Computed tomography, abdomen — axial plane, index 134 — abdomen soft-tissue window
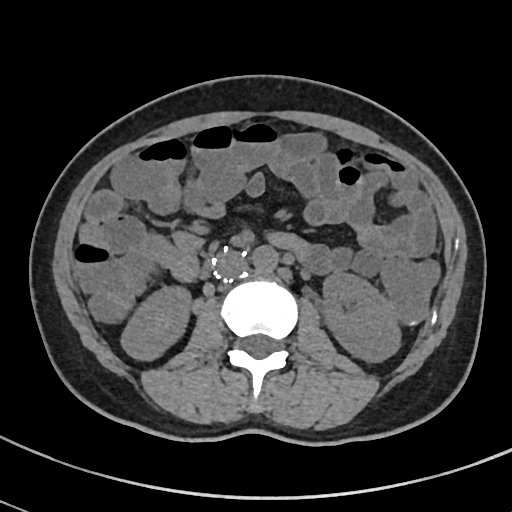
Each box given as x1,y1,x2,y2.
aorta: x1=252, y1=245, x2=278, y2=273
left kidney: x1=321, y1=273, x2=400, y2=361
inferior vena cava: x1=212, y1=249, x2=246, y2=278
right kidney: x1=121, y1=287, x2=190, y2=360
duodenum: x1=202, y1=253, x2=212, y2=277